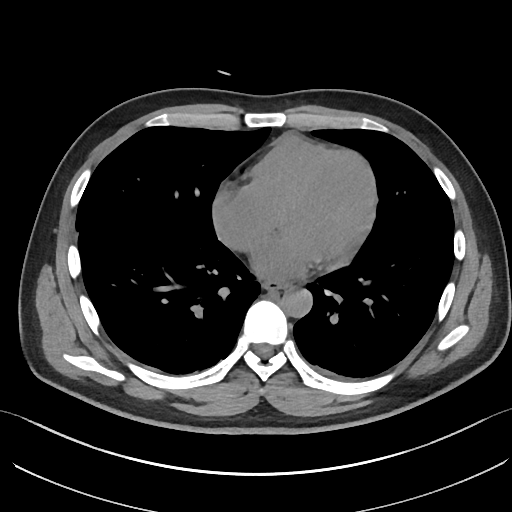

Abdominal CT; this slice is in the lower chest, just above the liver; axial view; soft-tissue window, W/L 400/40; 512x512 px; 15 organs annotated in this scan (counted over the whole 3D scan, not this slice; an organ is boxed only where this slice passes through it)
No part of the heart or lungs is labeled in this dataset, so neither has a box here.
Bounding boxes in pixels, one row per box: x1, y1 is the top-left corner and x2, y2 the bottom-right.
| organ | x1 | y1 | x2 | y2 |
|---|---|---|---|---|
| esophagus | 263 | 281 | 287 | 290 |
| aorta | 280 | 288 | 312 | 317 |